CT of the abdomen extending into the chest, slice through the chest; Axial slice 95/104; soft-tissue window (W 400 / L 40); 768x768 px; 62-year-old male patient; Brilliance16 scanner
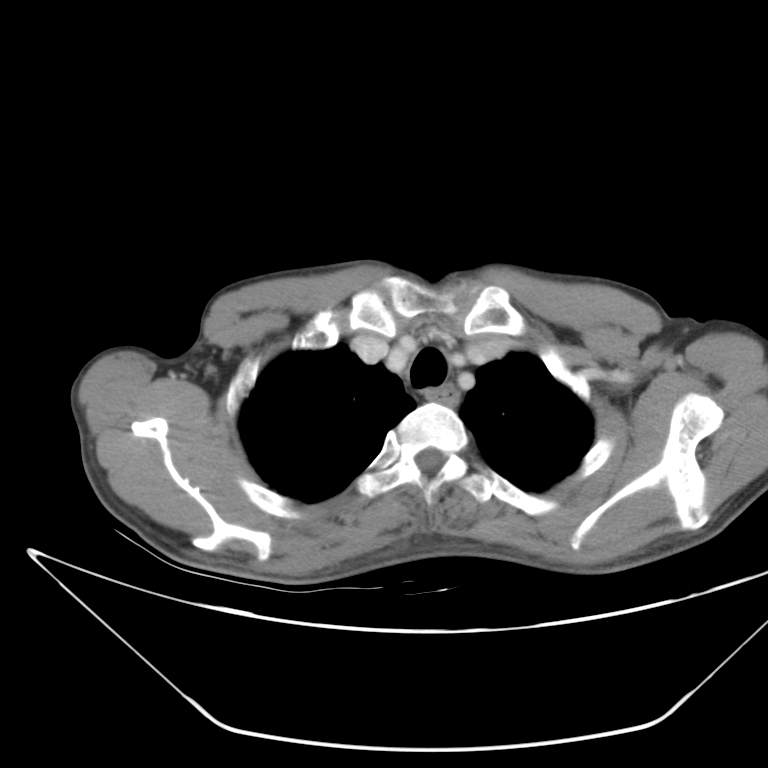

At this level of the chest this dataset labels only the esophagus and the aorta, and each is boxed only where it is labeled; the heart and lungs are never labeled. Bounding boxes as [x1, y1, x2, y2] in pixel coordinates. Labeled organs on this slice: esophagus at [423, 383, 458, 407].